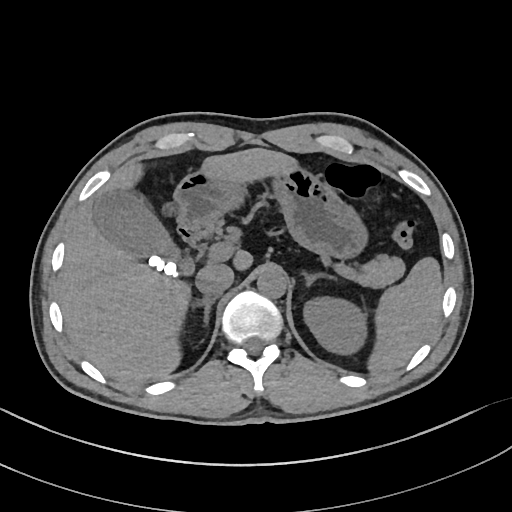
Abdominal CT — axial view
One row per box, in pixels: columns x1 and y1 give the top-left corner, x2 and y2 the bottom-right.
| organ | x1 | y1 | x2 | y2 |
|---|---|---|---|---|
| spleen | 366 | 256 | 443 | 372 |
| left kidney | 304 | 298 | 366 | 353 |
| gall bladder | 94 | 191 | 194 | 277 |
| liver | 59 | 147 | 296 | 382 |
| stomach | 174 | 167 | 366 | 260 |
| aorta | 257 | 268 | 287 | 298 |
| inferior vena cava | 195 | 264 | 234 | 297 |
| pancreas | 356 | 255 | 404 | 288 |
| right adrenal gland | 195 | 297 | 216 | 329 |
| left adrenal gland | 304 | 274 | 336 | 286 |
| duodenum | 177 | 222 | 212 | 241 |